CT, abdomen/pelvis; Axial slice 74/81; soft-tissue window (W 400 / L 40); 768x768 px
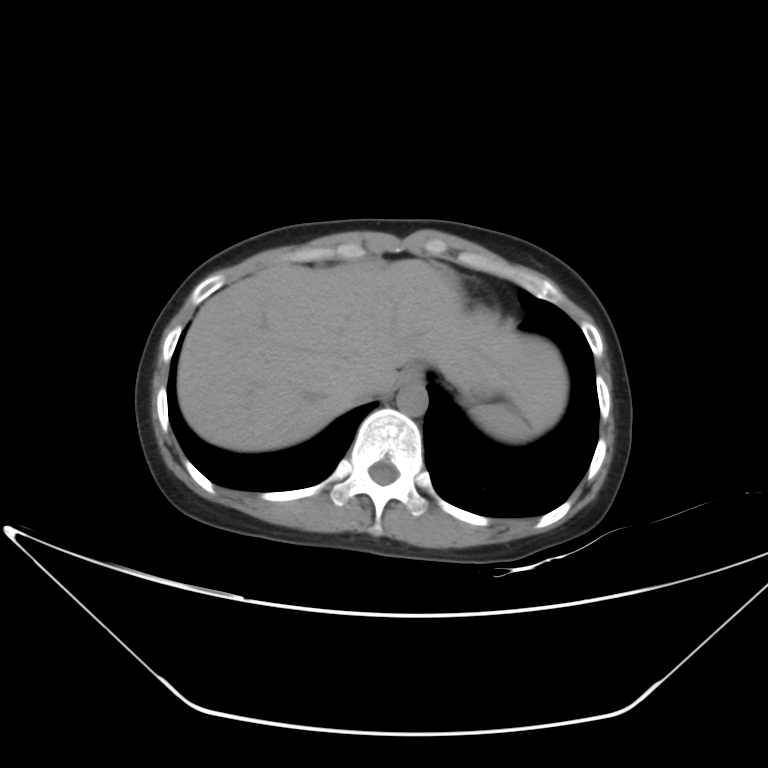
{"organs":{"spleen":[470,403,532,442],"esophagus":[400,362,423,384],"liver":[177,260,567,451],"aorta":[397,383,427,416],"inferior vena cava":[351,389,382,401]}}